CT abdomen — Axial slice 74/115 — 512x512 px — 55-year-old male patient
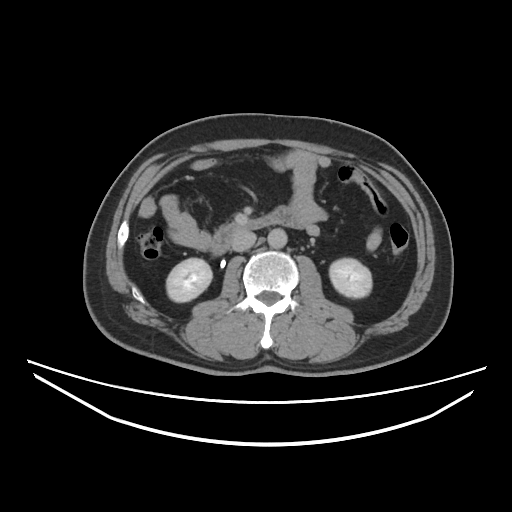

Bounding boxes as [x1, y1, x2, y2] in pixel coordinates.
right kidney: [166, 258, 212, 303]
left kidney: [328, 258, 372, 296]
aorta: [267, 228, 287, 248]
inferior vena cava: [231, 229, 254, 251]
duodenum: [211, 205, 292, 254]